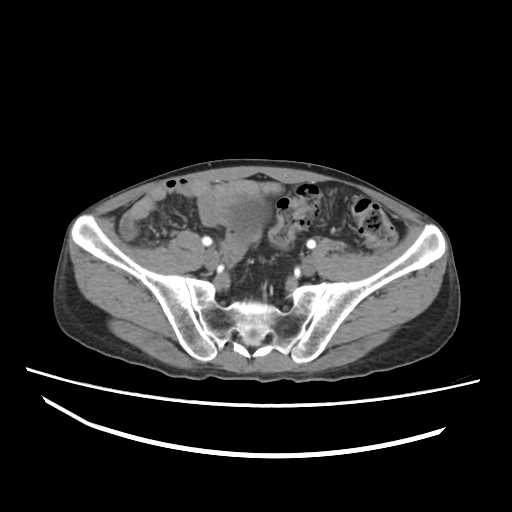 Computed tomography, abdomen. axial view. 15 organs annotated in this scan (that count is for the whole scan; organs this slice misses have no box)
Each box given as x1,y1,x2,y2.
bladder: x1=229, y1=198, x2=267, y2=236